Computed tomography, abdomen · axial view · 512x512 px
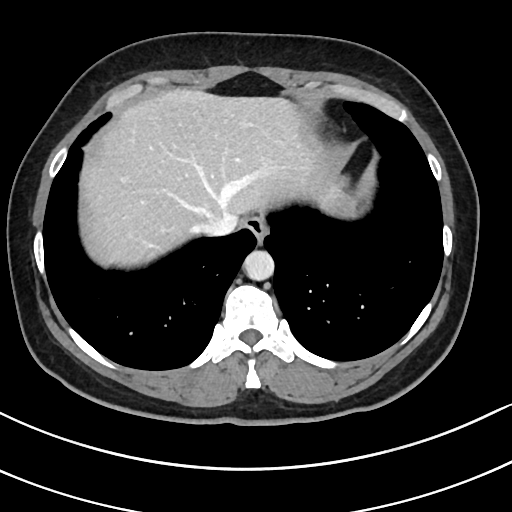 {"organs":{"aorta":[244,250,274,280],"esophagus":[244,216,268,242],"inferior vena cava":[198,213,240,234],"liver":[81,89,358,266]}}